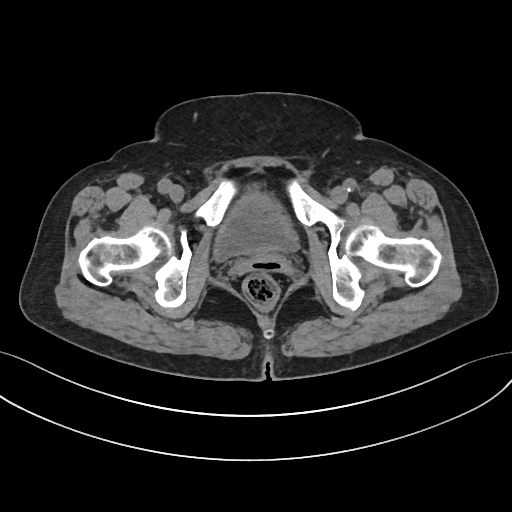
CT, abdomen/pelvis · axial view · soft-tissue window · 512x512 px
Bounding boxes as [x1, y1, x2, y2] in pixel coordinates. 1 labeled organ on this slice — bladder at [214, 193, 298, 260].